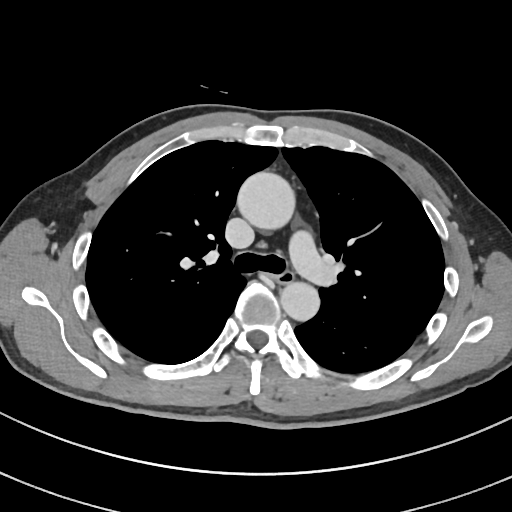
Chest-level CT slice, above the liver and spleen · axial view · W/L 400/40 HU · 512x512 px · 15 organs annotated in this scan (counted over the whole 3D scan, not this slice; an organ is boxed only where this slice passes through it)
On a slice this high in the chest, this dataset labels only the esophagus and the aorta, and each is boxed only where it is labeled; the heart, lungs and other chest structures are not labeled.
<organs><organ name="esophagus" x1="272" y1="268" x2="293" y2="283"/><organ name="aorta" x1="237" y1="172" x2="296" y2="231"/><organ name="aorta" x1="280" y1="280" x2="319" y2="320"/></organs>